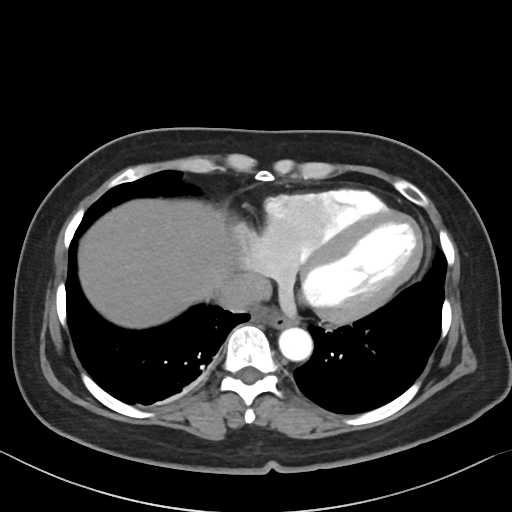

CT, abdomen/pelvis · axial view
Boxes are (x1, y1, x2, y2) in pixels. 4 labeled organs on this slice — aorta at (278, 327, 312, 360); esophagus at (269, 313, 295, 329); inferior vena cava at (218, 273, 271, 310); liver at (78, 199, 237, 328).